CT, abdomen/pelvis; axial plane, index 34; 512x512 px
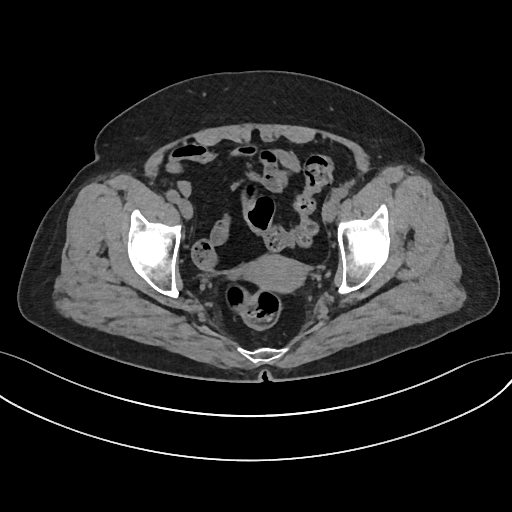 Bounding boxes as [x1, y1, x2, y2] in pixel coordinates.
prostate/uterus: [246, 253, 304, 290]